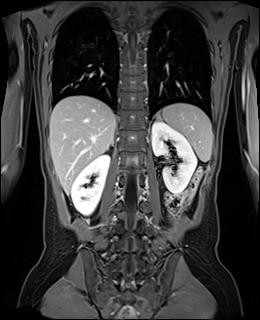
MRI, abdomen — coronal view — percentile-normalized
Coordinates as <box>x1,y1,x2,y2</box> in pixels.
spleen: <box>161,103,212,161</box>
right kidney: <box>71,155,110,215</box>
left kidney: <box>152,121,196,193</box>
liver: <box>49,95,115,194</box>
stomach: <box>156,112,162,119</box>
right adrenal gland: <box>111,142,114,145</box>